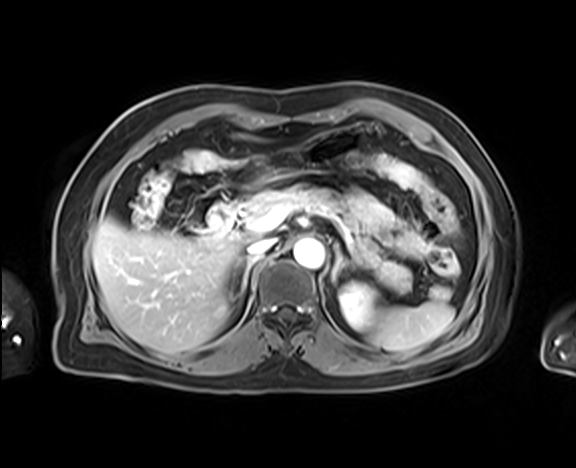 Magnetic resonance imaging, abdomen. axial view. percentile-normalized. 576x468 px. Prisma scanner. scan has 13 labeled organs (counted over the whole 3D scan, not this slice; an organ is boxed only where this slice passes through it)
One row per box, in pixels: columns x1 and y1 give the top-left corner, x2 and y2 the bottom-right.
| organ | x1 | y1 | x2 | y2 |
|---|---|---|---|---|
| inferior vena cava | 247 | 239 | 275 | 257 |
| spleen | 367 | 301 | 454 | 351 |
| pancreas | 240 | 187 | 412 | 293 |
| aorta | 293 | 239 | 324 | 268 |
| duodenum | 205 | 200 | 242 | 235 |
| right adrenal gland | 231 | 255 | 255 | 297 |
| left adrenal gland | 332 | 244 | 352 | 281 |
| liver | 92 | 132 | 270 | 354 |
| left kidney | 339 | 282 | 376 | 329 |